CT, abdomen/pelvis. axial view
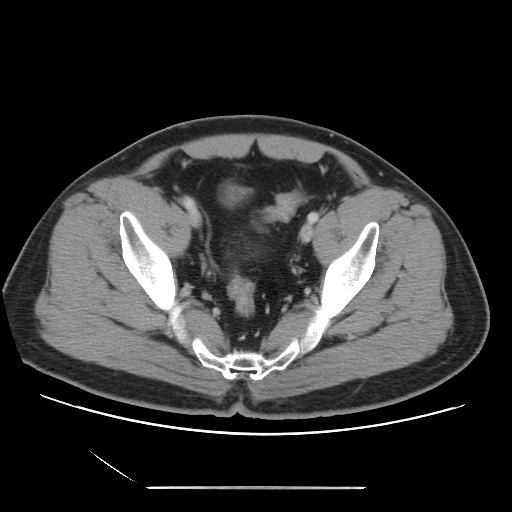
{"organs":{"bladder":[221,183,249,205]}}